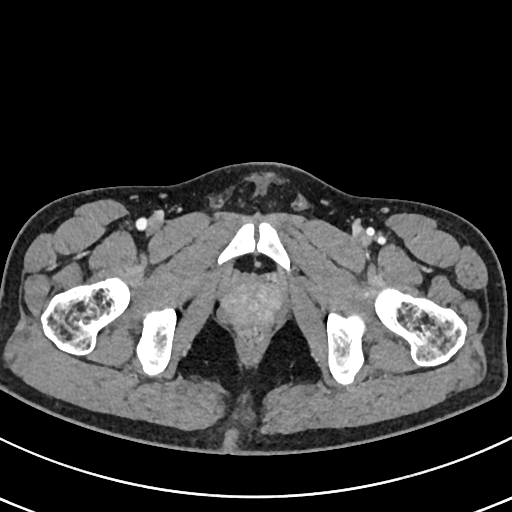
CT abdomen — axial view — W/L 400/40 HU — 512x512 px
Box edges are left/top/right/bottom in pixels.
Organ bounding boxes:
- prostate/uterus: left=223, top=282, right=282, bottom=326